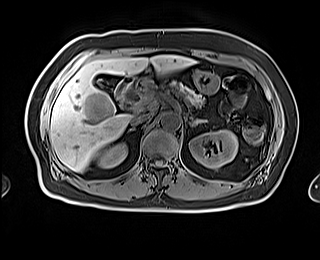

Magnetic resonance imaging, abdomen · axial plane, index 34 · 1st–99th percentile window
Bounding boxes in pixels, one row per box: x1, y1 is the top-left corner and x2, y2 the bottom-right.
| organ | x1 | y1 | x2 | y2 |
|---|---|---|---|---|
| right adrenal gland | 127 | 128 | 134 | 131 |
| pancreas | 170 | 81 | 204 | 106 |
| aorta | 161 | 112 | 180 | 130 |
| duodenum | 114 | 77 | 134 | 106 |
| left adrenal gland | 193 | 119 | 207 | 125 |
| gall bladder | 96 | 77 | 111 | 89 |
| inferior vena cava | 131 | 113 | 151 | 125 |
| left kidney | 189 | 130 | 237 | 168 |
| liver | 49 | 55 | 195 | 171 |
| stomach | 194 | 70 | 220 | 94 |
| right kidney | 97 | 143 | 126 | 168 |